Abdominal CT · axial plane, index 189 · soft-tissue window · 512x512 px
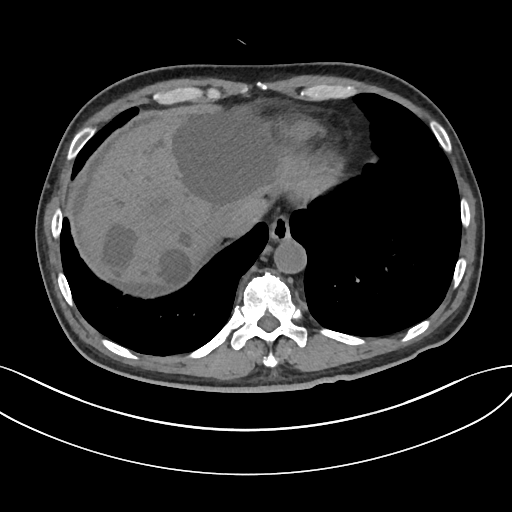 Each box given as x1,y1,x2,y2.
Organ bounding boxes:
- esophagus: x1=269, y1=215, x2=290, y2=241
- liver: x1=76, y1=111, x2=336, y2=288
- aorta: x1=274, y1=238, x2=306, y2=273
- inferior vena cava: x1=214, y1=203, x2=252, y2=236